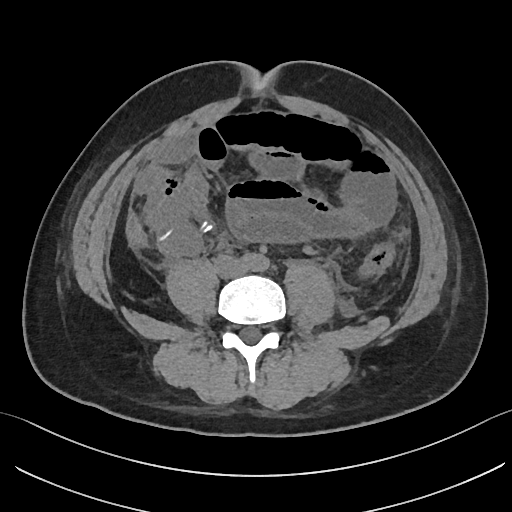 Abdominal CT · axial view · soft-tissue window
One row per box, in pixels: columns x1 and y1 give the top-left corner, x2 and y2 the bottom-right.
| organ | x1 | y1 | x2 | y2 |
|---|---|---|---|---|
| inferior vena cava | 220 | 260 | 244 | 275 |